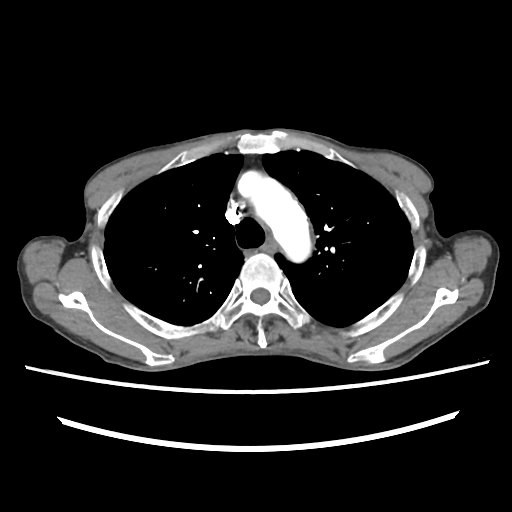 CT of the abdomen extending into the chest, slice through the chest; axial view; soft-tissue window; 512x512 px
At this level of the chest no structure but the esophagus and the aorta has a label in this dataset, and those two are boxed only where they are labeled.
Each box given as x1,y1,x2,y2.
esophagus: x1=260, y1=240, x2=276, y2=254
aorta: x1=239, y1=171, x2=311, y2=262